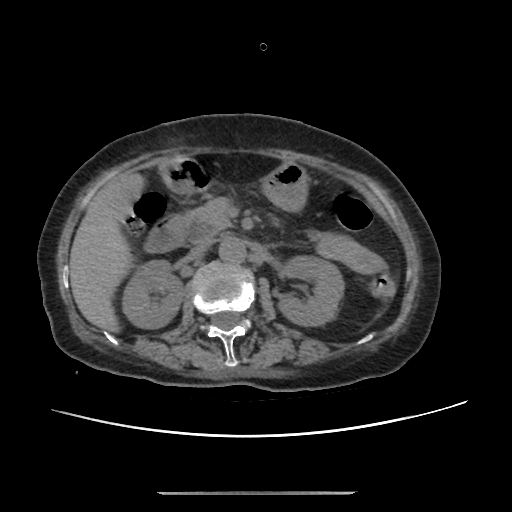
Abdominal CT · axial plane, index 232 · abdomen soft-tissue window
Box edges are left/top/right/bottom in pixels. 8 labeled organs on this slice — right kidney at left=120, top=258, right=183, bottom=328; left kidney at left=280, top=255, right=344, bottom=324; liver at left=70, top=174, right=140, bottom=329; stomach at left=163, top=163, right=306, bottom=209; aorta at left=218, top=236, right=244, bottom=263; inferior vena cava at left=188, top=242, right=210, bottom=260; pancreas at left=193, top=198, right=233, bottom=236; duodenum at left=142, top=157, right=207, bottom=253.